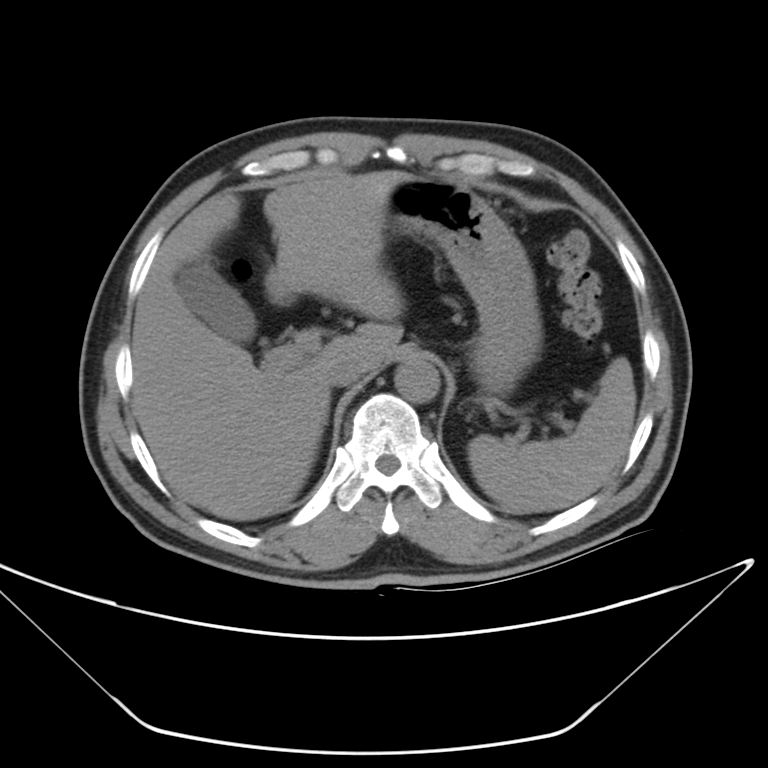 CT abdomen — Axial slice 91/112 — W/L 400/40 HU — Brilliance16 scanner
Boxes: x1:y1:x2:y2 in pixels.
spleen: 468:356:634:513
gall bladder: 175:257:257:341
liver: 130:169:419:520
stomach: 264:177:542:392
aorta: 394:359:439:404
inferior vena cava: 321:359:370:387
right adrenal gland: 326:416:328:418